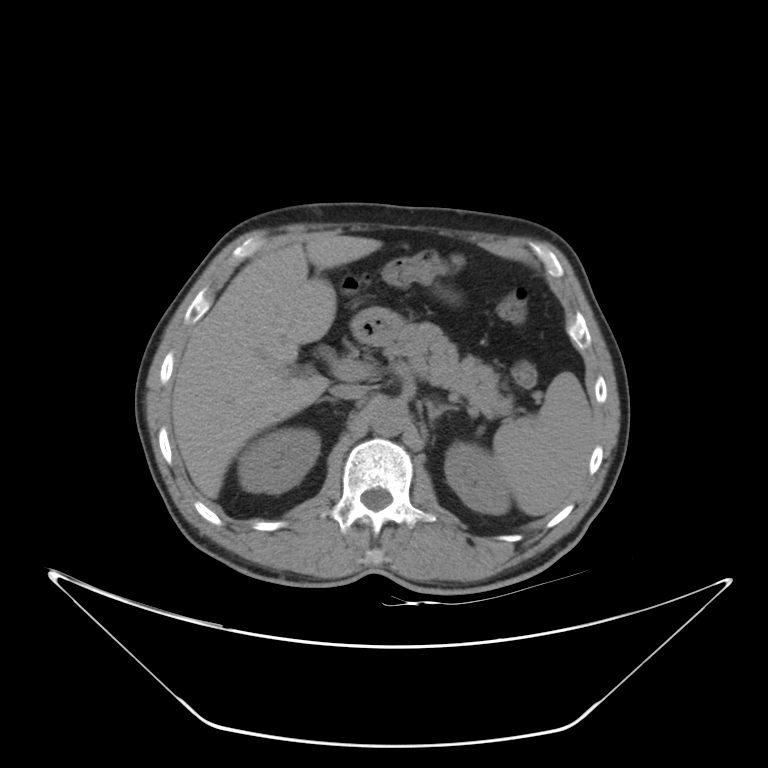
Computed tomography, abdomen. axial view. soft-tissue window (W 400 / L 40). 15 organs annotated in this scan (counted over the whole 3D scan, not this slice; an organ is boxed only where this slice passes through it)
Each box given as x1,y1,x2,y2.
pancreas: x1=384, y1=322, x2=513, y2=418
spleen: x1=493, y1=371, x2=592, y2=515
right kidney: x1=238, y1=428, x2=320, y2=493
stomach: x1=351, y1=307, x2=404, y2=344
inferior vena cava: x1=330, y1=384, x2=369, y2=400
aorta: x1=370, y1=401, x2=406, y2=436
right adrenal gland: x1=322, y1=397, x2=334, y2=402
liver: x1=171, y1=235, x2=382, y2=497
left kidney: x1=444, y1=442, x2=510, y2=514
left adrenal gland: x1=425, y1=399, x2=457, y2=425